Computed tomography, abdomen · axial view · SOMATOM Force scanner
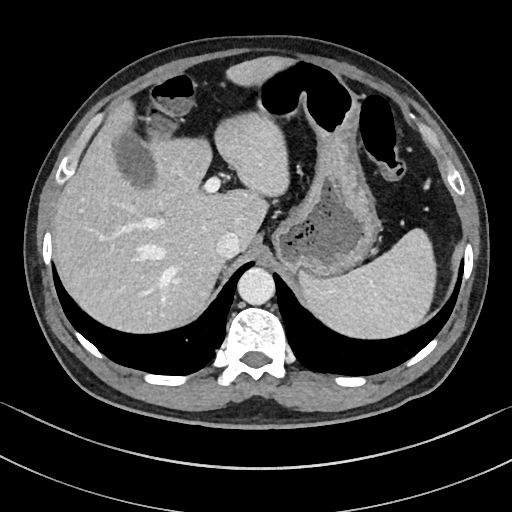
Box edges are left/top/right/bottom in pixels. Labeled organs on this slice: spleen at left=300, top=228, right=436, bottom=339, gall bladder at left=115, top=131, right=155, bottom=187, liver at left=52, top=57, right=295, bottom=331, stomach at left=257, top=62, right=379, bottom=277, aorta at left=237, top=267, right=274, bottom=305, inferior vena cava at left=216, top=232, right=240, bottom=259.